Computed tomography, abdomen; axial view; acquired on SOMATOM Force
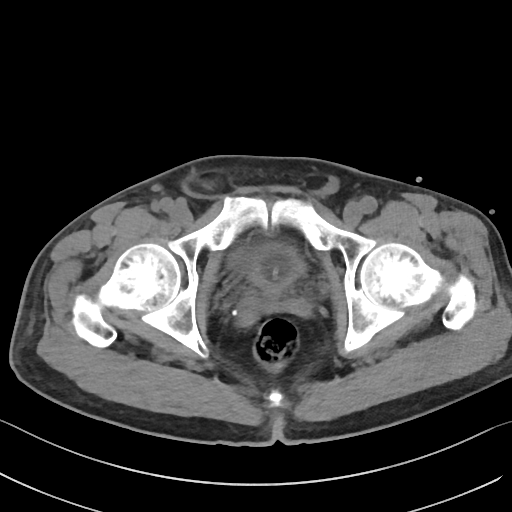 {"organs":{"bladder":[232,242,304,298]}}